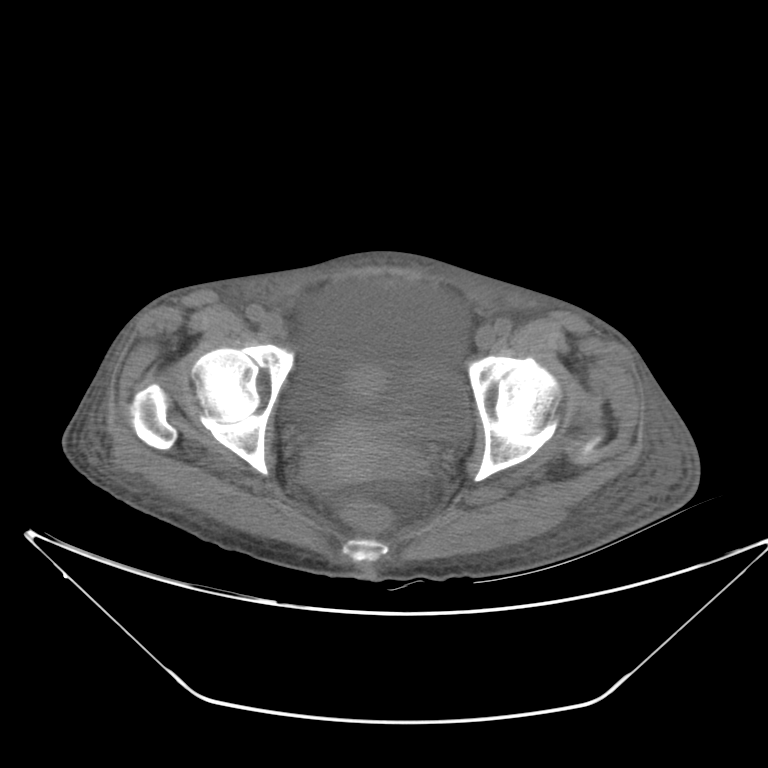

CT abdomen. axial plane, index 18. W/L 400/40 HU. 768x768 px
<organs><organ name="prostate/uterus" x1="310" y1="366" x2="400" y2="481"/><organ name="bladder" x1="394" y1="368" x2="470" y2="439"/></organs>